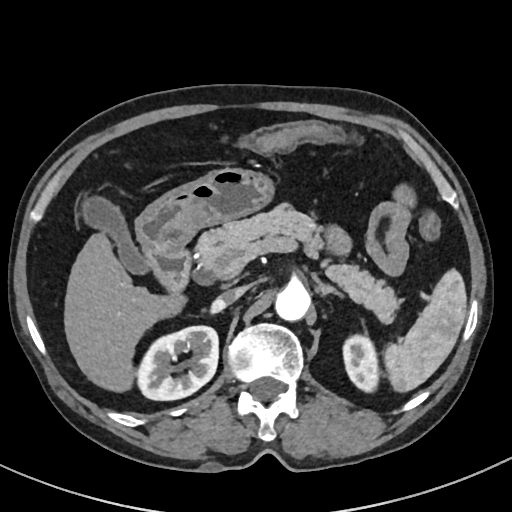
Computed tomography, abdomen · axial view · abdomen soft-tissue window · SOMATOM Force scanner
Boxes: x1 y1 x2 y2 (pixel coords, space-separated).
Organ bounding boxes:
- spleen: 385 269 466 393
- right kidney: 139 326 218 400
- left kidney: 344 333 379 391
- gall bladder: 83 199 151 274
- liver: 63 231 186 393
- stomach: 136 167 277 252
- aorta: 274 283 310 322
- inferior vena cava: 210 286 246 311
- pancreas: 194 207 398 323
- left adrenal gland: 318 282 344 298
- duodenum: 147 247 189 291